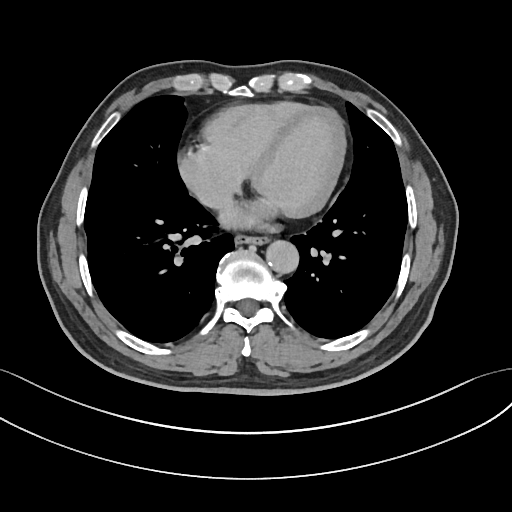 Abdominal CT; this slice is in the lower chest, just above the liver. axial plane, index 219. 512x512 px. 15 organs annotated in this scan (counted over the whole 3D scan, not this slice; an organ is boxed only where this slice passes through it)
No part of the heart or lungs is labeled in this dataset, so neither has a box here.
<organs><organ name="esophagus" x1="235" y1="236" x2="266" y2="244"/><organ name="aorta" x1="267" y1="241" x2="299" y2="274"/></organs>